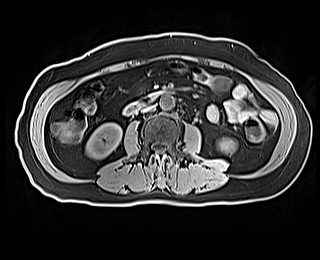 Abdominal MRI; axial view; acquired on Prisma
{"organs":{"right kidney":[86,123,122,159],"left kidney":[218,138,236,153],"aorta":[159,95,174,109],"inferior vena cava":[142,105,154,112],"duodenum":[124,91,172,114]}}